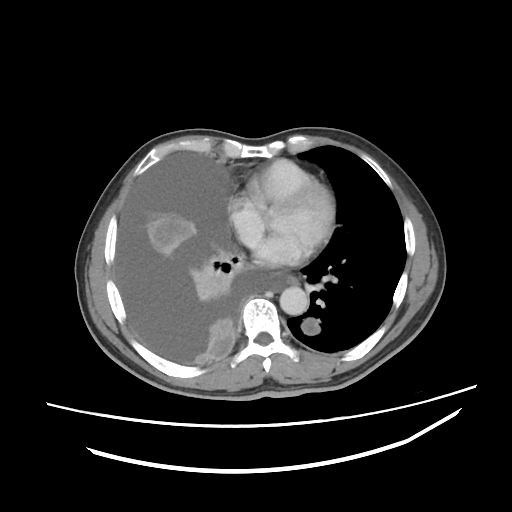

Chest-level CT slice, above the liver and spleen — Axial slice 98/131 — soft-tissue window (W 400 / L 40) — acquired on Aquilion ONE
At this level of the chest no structure but the esophagus and the aorta has a label in this dataset, and those two are boxed only where they are labeled. Boxes are (x1, y1, x2, y2) in pixels. The annotated organs in this slice are: esophagus at (287, 276, 297, 284), aorta at (279, 286, 308, 315).